Lower-chest slice from an abdominal CT, just above the liver and spleen; axial view; 512x512 px
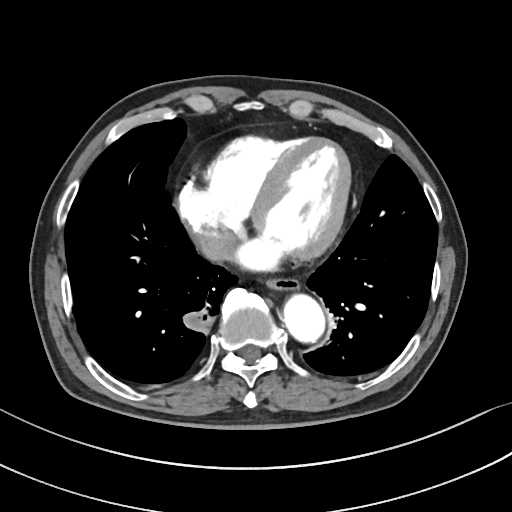

Of the structures in the chest, this dataset labels only the esophagus, the aorta and the inferior vena cava; the heart and lungs have no label.
{"organs":{"esophagus":[266,277,299,291],"aorta":[283,294,324,342],"inferior vena cava":[197,229,234,260]}}